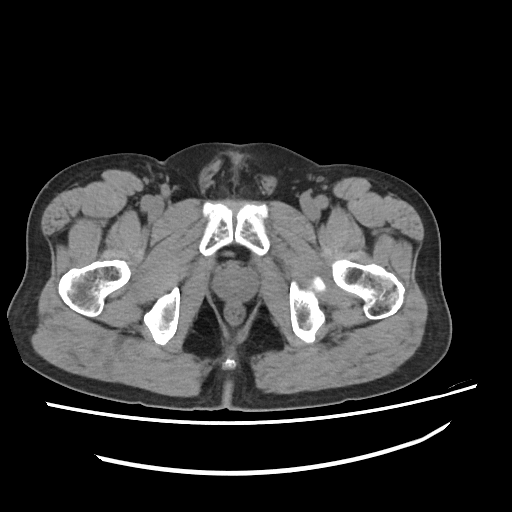

Computed tomography, abdomen; axial view; 45-year-old male patient
Coordinates as <box>x1,y1,x2,y2</box> in pixels. Labeled organs on this slice: prostate/uterus at <box>214,265,256,301</box>.